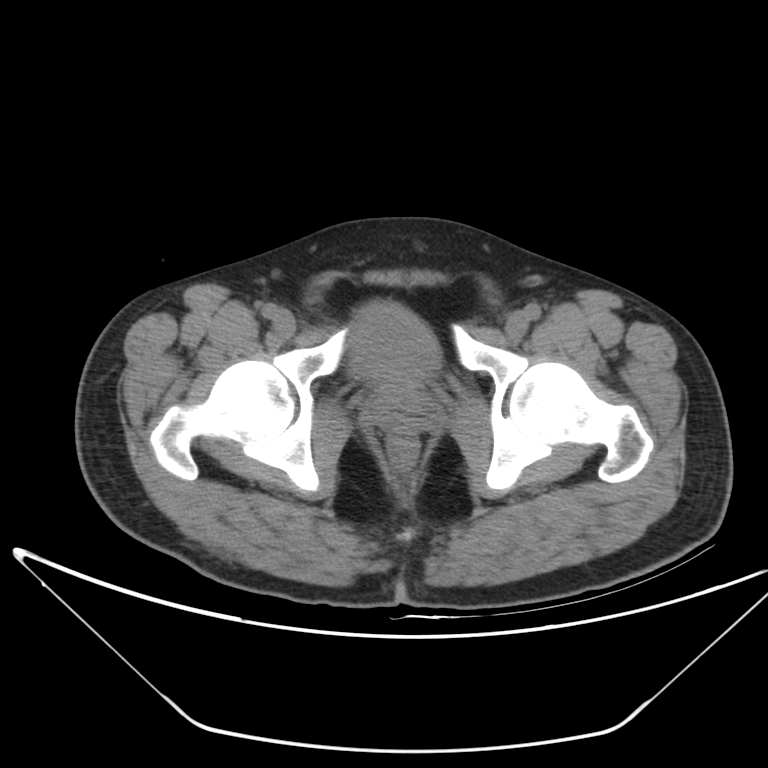

Computed tomography, abdomen · axial view · abdomen soft-tissue window · 768x768 px · acquired on Brilliance16
<organs><organ name="bladder" x1="350" y1="301" x2="439" y2="386"/><organ name="prostate/uterus" x1="372" y1="384" x2="432" y2="432"/></organs>